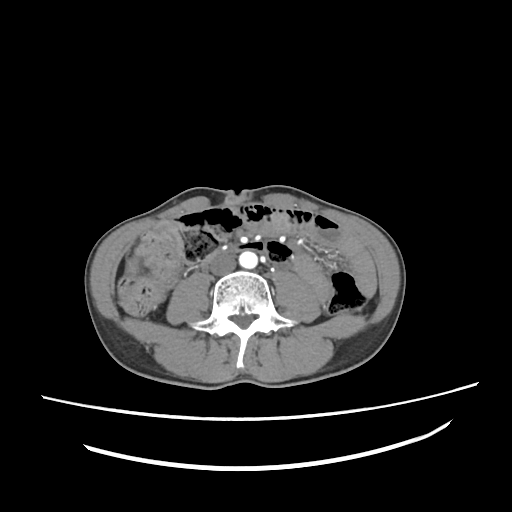

CT, abdomen/pelvis. axial view. W/L 400/40 HU. 50-year-old male patient
Boxes: x1 y1 x2 y2 (pixel coords, space-separated). The annotated organs in this slice are: liver at 129 260 137 270, aorta at 239 251 257 268, inferior vena cava at 209 252 236 275.